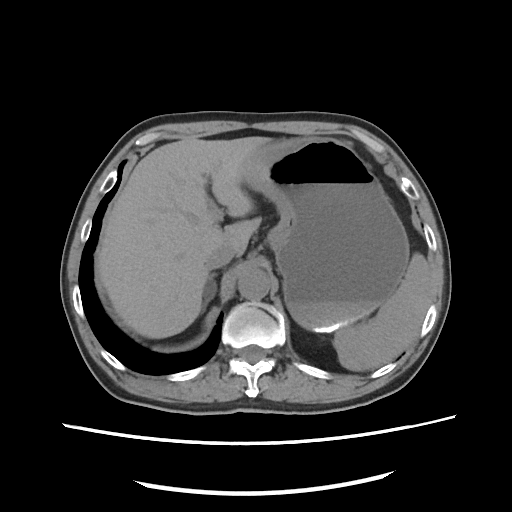
CT, abdomen/pelvis · axial view
<organs><organ name="aorta" x1="238" y1="268" x2="270" y2="300"/><organ name="inferior vena cava" x1="204" y1="246" x2="237" y2="270"/><organ name="spleen" x1="333" y1="252" x2="430" y2="370"/><organ name="right adrenal gland" x1="201" y1="273" x2="217" y2="312"/><organ name="stomach" x1="245" y1="137" x2="409" y2="330"/><organ name="liver" x1="95" y1="136" x2="268" y2="338"/></organs>